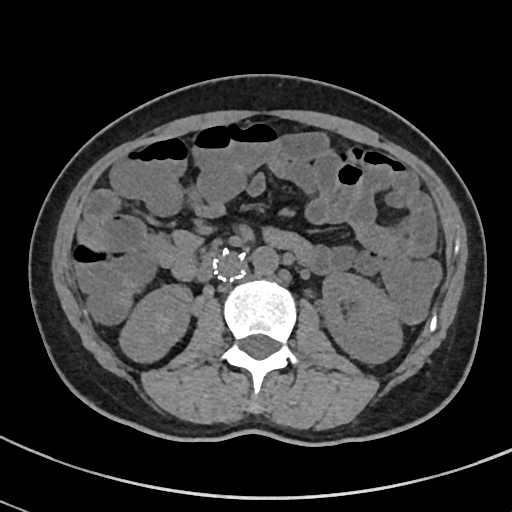
CT, abdomen/pelvis · axial plane, index 135 · 512x512 px
<organs><organ name="right kidney" x1="117" y1="283" x2="193" y2="364"/><organ name="left kidney" x1="320" y1="272" x2="402" y2="363"/><organ name="aorta" x1="253" y1="248" x2="278" y2="275"/><organ name="inferior vena cava" x1="214" y1="252" x2="248" y2="281"/><organ name="duodenum" x1="194" y1="252" x2="214" y2="283"/></organs>